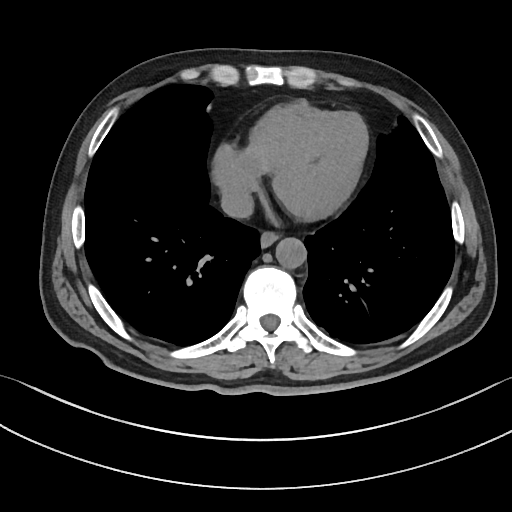

CT of the abdomen reaching into the lower chest, slice just above the liver and spleen. axial plane, index 219. SOMATOM Force scanner
Of the structures in the chest, this dataset labels only the esophagus, the aorta and the inferior vena cava; the heart and lungs have no label.
Organ boxes in pixel coordinates; each row gives the top-left (x1, y1) and bottom-right (x2, y2) corners.
| organ | x1 | y1 | x2 | y2 |
|---|---|---|---|---|
| esophagus | 260 | 231 | 278 | 247 |
| aorta | 275 | 237 | 306 | 268 |
| inferior vena cava | 220 | 188 | 253 | 218 |